CT abdomen; Axial slice 85/90; 31-year-old male patient
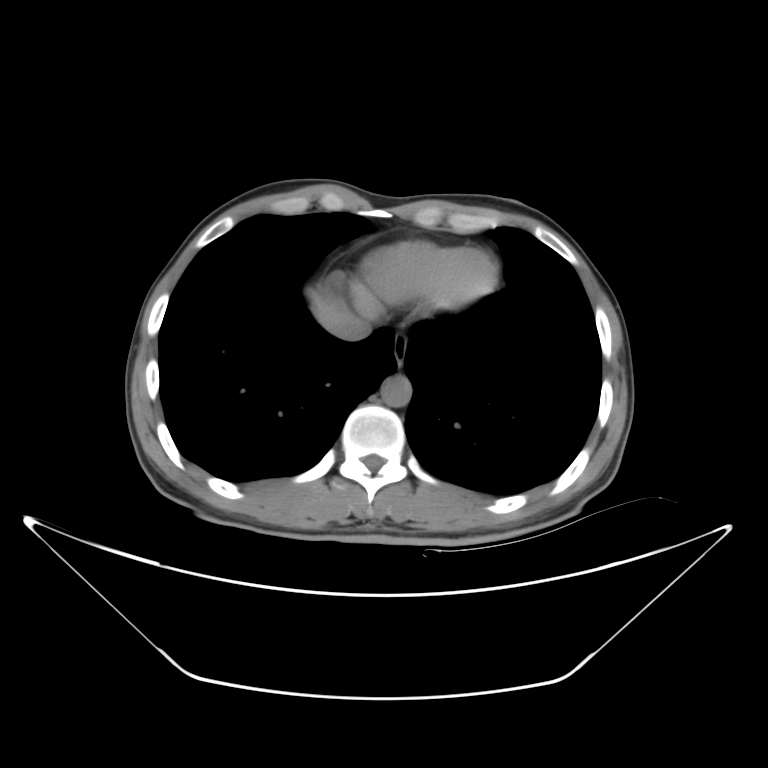
Boxes: x1 y1 x2 y2 (pixel coords, space-separated).
aorta: 379 374 411 406
esophagus: 392 343 406 365
liver: 305 282 350 324
inferior vena cava: 325 313 365 340